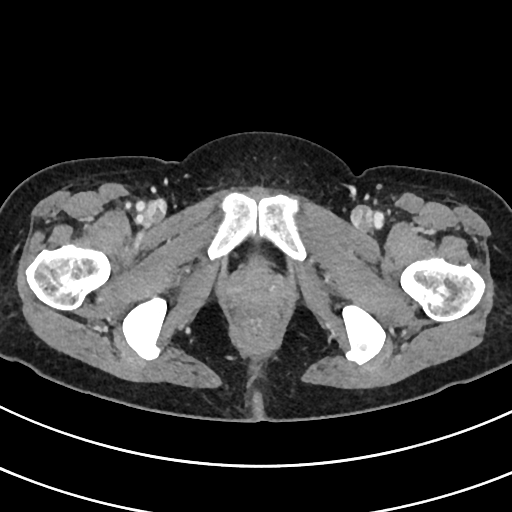 CT abdomen. axial plane, index 4. 512x512 px
<organs><organ name="bladder" x1="249" y1="253" x2="266" y2="269"/></organs>